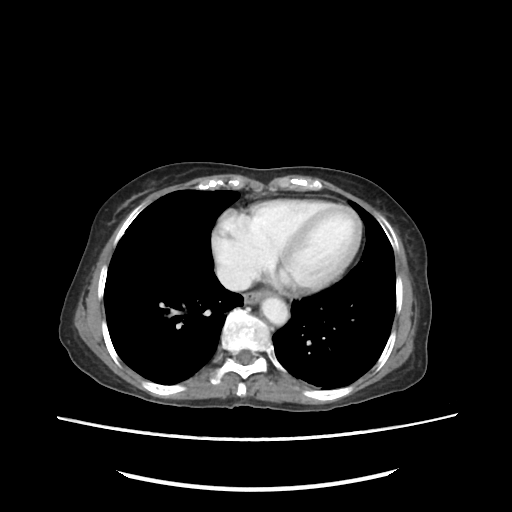

Abdominal CT; this slice is in the lower chest, just above the liver — axial view — soft-tissue window — 512x512 px — 73-year-old female patient
The heart and lungs are never labeled in this dataset, so they have no box on this slice.
Coordinates as <box>x1,y1,x2,y2</box> in pixels.
Organ bounding boxes:
- esophagus: <box>243,292,265,304</box>
- inferior vena cava: <box>216,261,252,291</box>
- aorta: <box>260,298,288,325</box>